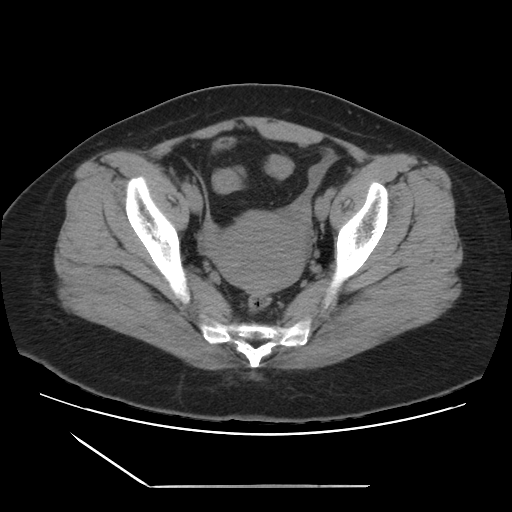 CT, abdomen/pelvis — axial view — 15 organs annotated in this scan (a whole-scan count: organs this slice does not pass through have no box)
<organs><organ name="prostate/uterus" x1="214" y1="211" x2="306" y2="293"/><organ name="bladder" x1="215" y1="138" x2="232" y2="148"/></organs>